CT abdomen · Axial slice 53/353 · abdomen soft-tissue window · 15 organs annotated in this scan (that count is for the whole scan; organs this slice misses have no box)
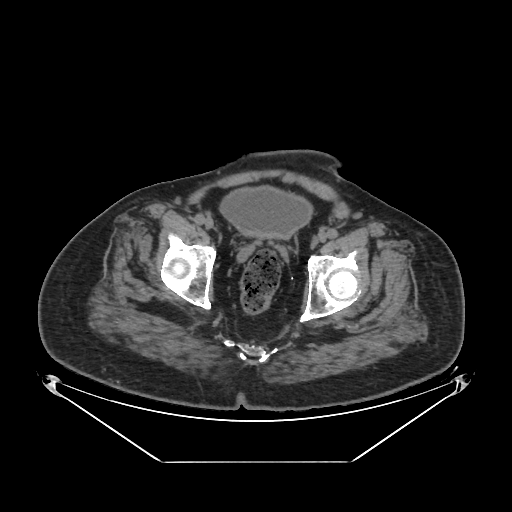 Box edges are left/top/right/bottom in pixels.
bladder: left=218, top=186, right=312, bottom=238